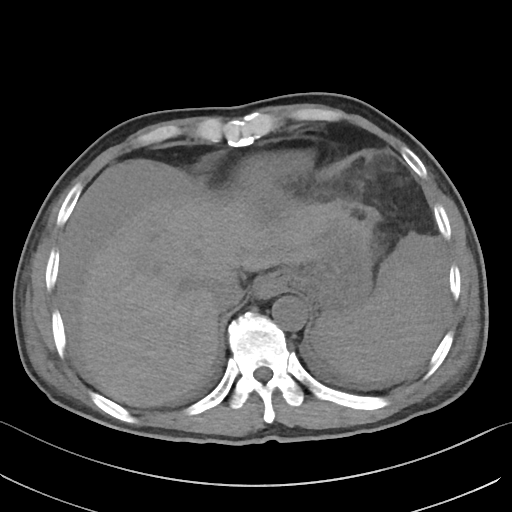
Abdominal CT · Axial slice 81/100 · 15 organs annotated in this scan (a whole-scan count: organs this slice does not pass through have no box)
Box edges are left/top/right/bottom in pixels. 6 labeled organs on this slice — spleen at left=315, top=269, right=425, bottom=382; esophagus at left=253, top=272, right=286, bottom=298; liver at left=75, top=198, right=373, bottom=406; stomach at left=283, top=232, right=373, bottom=314; aorta at left=272, top=296, right=307, bottom=331; inferior vena cava at left=210, top=282, right=243, bottom=312.